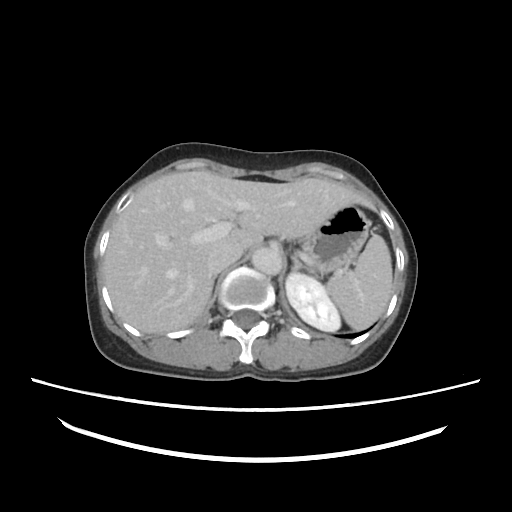
CT, abdomen/pelvis — axial view — 512x512 px — 15 organs annotated in this scan (counted over the whole 3D scan, not this slice; an organ is boxed only where this slice passes through it)
{"organs":{"spleen":[326,234,393,329],"left kidney":[286,272,340,331],"liver":[103,169,376,335],"stomach":[300,206,371,274],"aorta":[252,247,282,274],"inferior vena cava":[207,240,244,274],"left adrenal gland":[290,256,321,279]}}